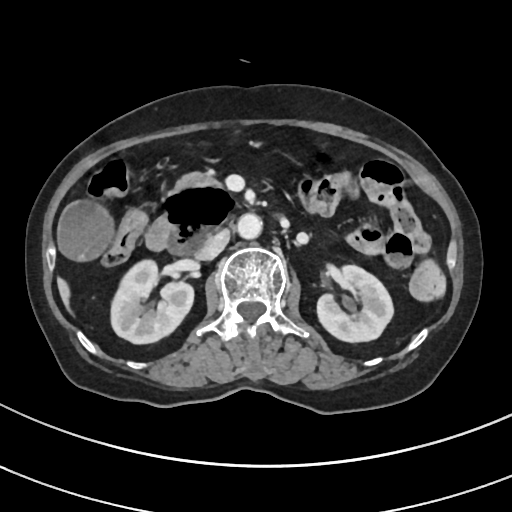

Computed tomography, abdomen; Axial slice 132/284; abdomen soft-tissue window; 512x512 px; 15 organs annotated in this scan (counted over the whole 3D scan, not this slice; an organ is boxed only where this slice passes through it)
Coordinates as <box>x1,y1,x2,y2</box> in pixels. The annotated organs in this slice are: right kidney at <box>109,258,192,344</box>, left kidney at <box>317,264,393,341</box>, gall bladder at <box>59,202,112,259</box>, liver at <box>58,280,68,312</box>, aorta at <box>238,213,263,238</box>, inferior vena cava at <box>197,229,230,260</box>, pancreas at <box>176,174,218,191</box>, duodenum at <box>145,186,236,254</box>.